CT abdomen — axial plane, index 92
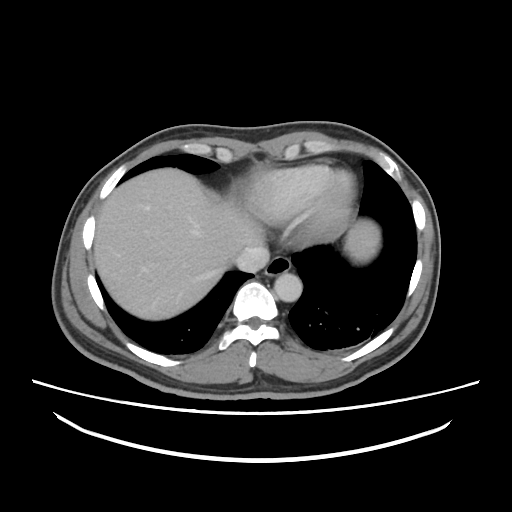
Boxes: x1 y1 x2 y2 (pixel coords, space-separated).
Organ bounding boxes:
- esophagus: 265 256 291 276
- liver: 94 168 379 319
- aorta: 274 272 302 301
- inferior vena cava: 234 245 269 272